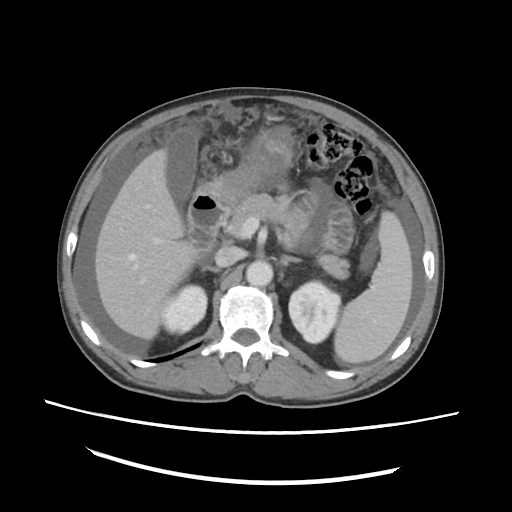 CT, abdomen/pelvis · axial plane, index 53 · 512x512 px · 15 organs annotated in this scan (counted over the whole 3D scan, not this slice; an organ is boxed only where this slice passes through it)
{"organs":{"duodenum":[188,196,229,257],"inferior vena cava":[215,246,243,266],"right kidney":[162,285,206,333],"gall bladder":[166,129,196,206],"left kidney":[289,281,340,343],"stomach":[195,129,292,206],"left adrenal gland":[280,255,299,265],"pancreas":[227,193,349,279],"right adrenal gland":[201,266,220,272],"spleen":[334,211,412,363],"aorta":[246,260,272,286],"liver":[95,148,198,339]}}